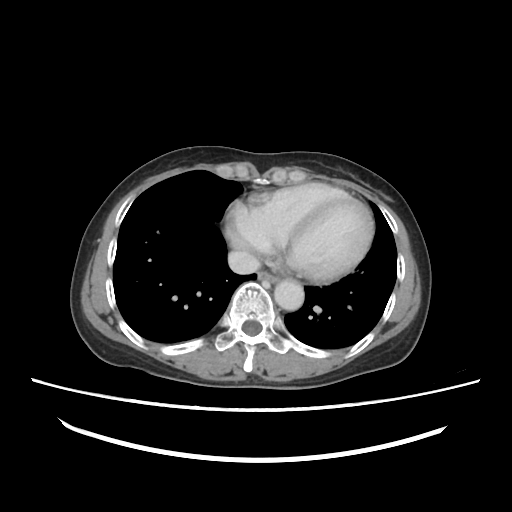

Abdominal CT; this slice is in the lower chest, just above the liver. axial view. 15 organs annotated in this scan (that count is for the whole scan; organs this slice misses have no box)
Of the structures in the chest, this dataset labels only the esophagus, the aorta and the inferior vena cava; the heart and lungs have no label.
Coordinates as <box>x1,y1,x2,y2</box> in pixels.
Organ bounding boxes:
- esophagus: <box>258,271,277,284</box>
- aorta: <box>274,277,304,310</box>
- inferior vena cava: <box>228,250,259,274</box>